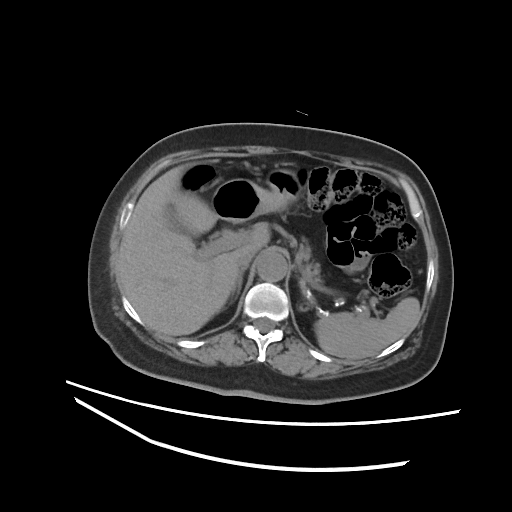

Abdominal CT; Axial slice 68/84; soft-tissue window (W 400 / L 40)
Coordinates as <box>x1,y1,x2,y2</box> in pixels.
Organ bounding boxes:
- spleen: <box>315,297,420,359</box>
- gall bladder: <box>164,205,198,237</box>
- liver: <box>117,164,269,335</box>
- stomach: <box>212,168,301,222</box>
- aorta: <box>257,251,287,281</box>
- inferior vena cava: <box>236,249,256,270</box>
- pancreas: <box>297,243,321,282</box>
- right adrenal gland: <box>231,268,246,301</box>
- left adrenal gland: <box>301,283,304,290</box>